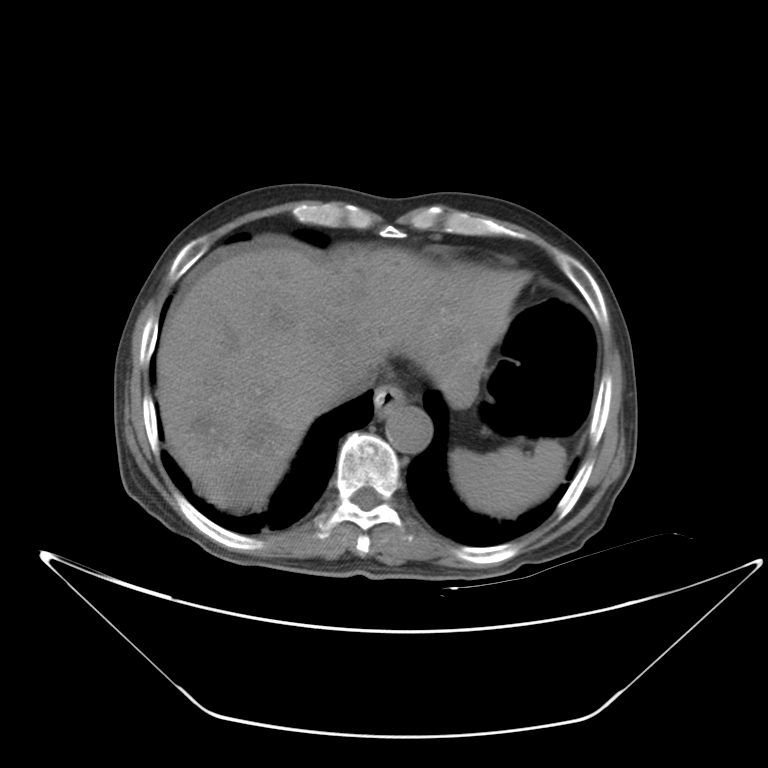
CT, abdomen/pelvis; axial view; soft-tissue window (W 400 / L 40); 768x768 px
{"organs":{"spleen":[450,438,566,517],"esophagus":[373,388,404,417],"liver":[156,246,526,511],"aorta":[385,404,432,453],"inferior vena cava":[325,365,375,402]}}